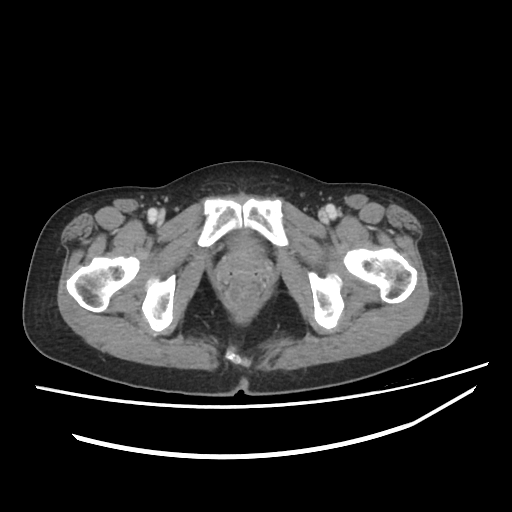 Computed tomography, abdomen — Axial slice 9/118 — soft-tissue window — 512x512 px — 54-year-old female patient — Aquilion ONE scanner
Organ boxes in pixel coordinates; each row gives the top-left (x1, y1) and bottom-right (x2, y2) corners.
| organ | x1 | y1 | x2 | y2 |
|---|---|---|---|---|
| bladder | 231 | 235 | 258 | 247 |